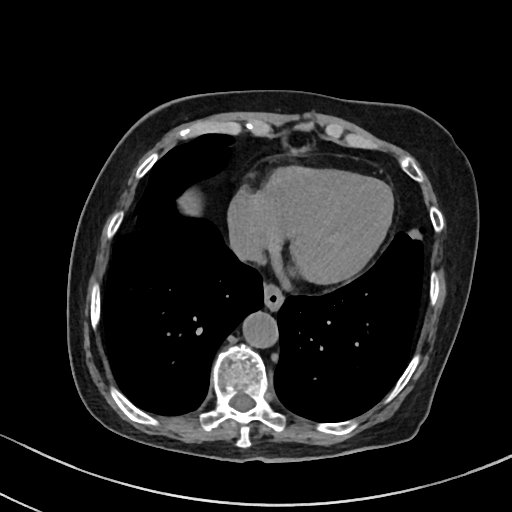
Computed tomography, abdomen; axial view; 512x512 px; 15 organs annotated in this scan (a whole-scan count: organs this slice does not pass through have no box)
Boxes: x1 y1 x2 y2 (pixel coords, space-separated).
esophagus: 263 286 283 311
liver: 181 196 197 213
aorta: 243 312 279 349
inferior vena cava: 229 226 262 261